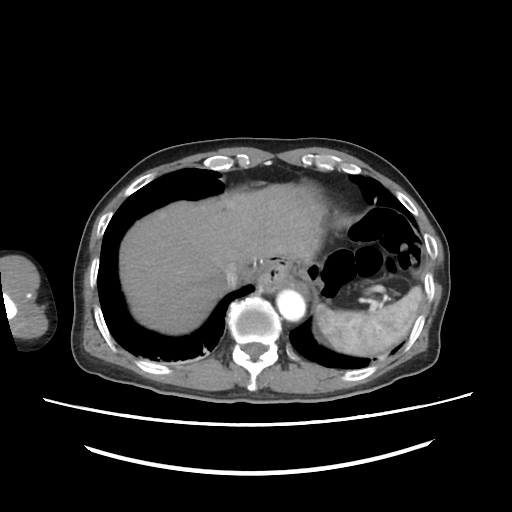 CT, abdomen/pelvis — axial plane, index 86 — 512x512 px — Aquilion ONE scanner
{"organs":{"spleen":[317,286,421,354],"liver":[118,184,326,335],"aorta":[276,290,305,319],"inferior vena cava":[226,269,240,287]}}